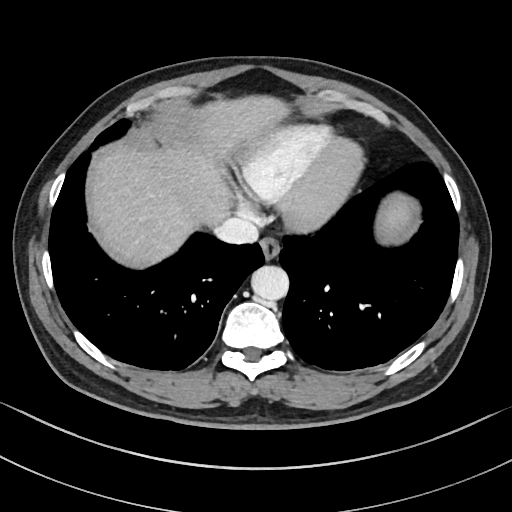

CT, abdomen/pelvis. axial plane, index 206. soft-tissue window (W 400 / L 40)
{"organs":{"liver":[90,94,412,267],"esophagus":[260,236,279,258],"aorta":[250,265,288,300],"inferior vena cava":[215,218,258,244]}}